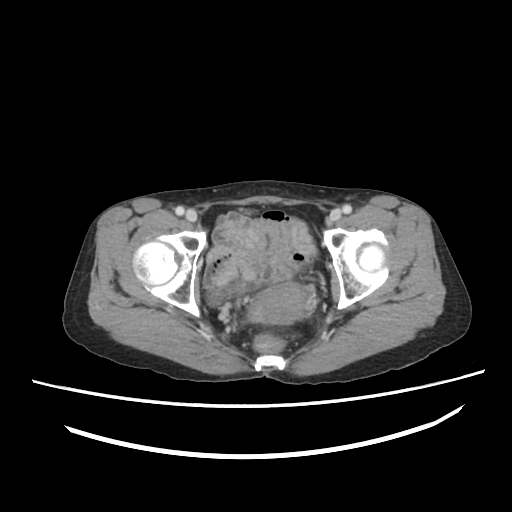

Computed tomography, abdomen · axial plane, index 14
<organs><organ name="prostate/uterus" x1="248" y1="283" x2="305" y2="323"/></organs>